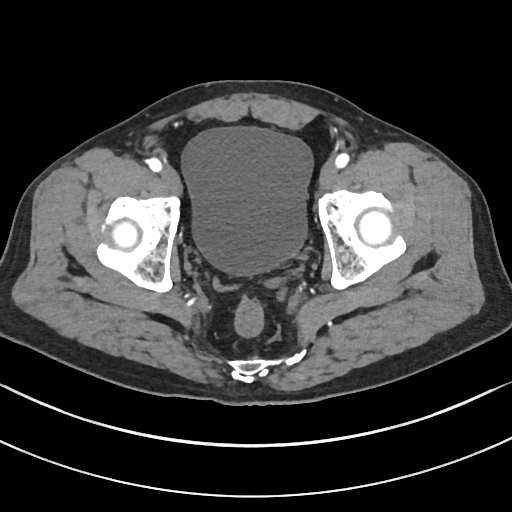

CT abdomen — axial plane, index 32 — abdomen soft-tissue window — acquired on SOMATOM Force
One row per box, in pixels: columns x1 and y1 give the top-left corner, x2 and y2 the bottom-right.
| organ | x1 | y1 | x2 | y2 |
|---|---|---|---|---|
| bladder | 182 | 126 | 313 | 276 |